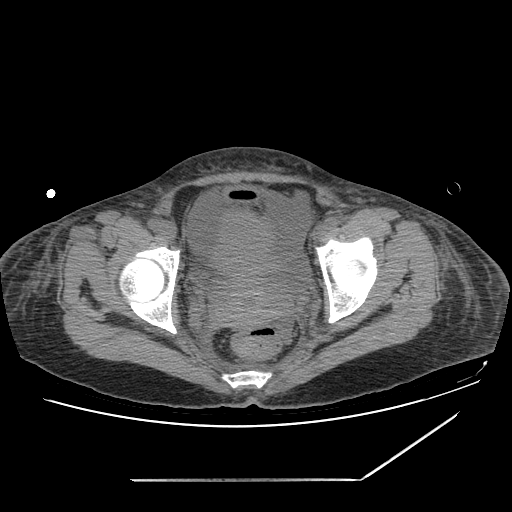 Computed tomography, abdomen; axial view
<organs><organ name="prostate/uterus" x1="211" y1="210" x2="284" y2="328"/><organ name="bladder" x1="221" y1="187" x2="260" y2="203"/></organs>